Computed tomography, abdomen. axial view. 768x768 px. 15 organs annotated in this scan (that count is for the whole scan; organs this slice misses have no box)
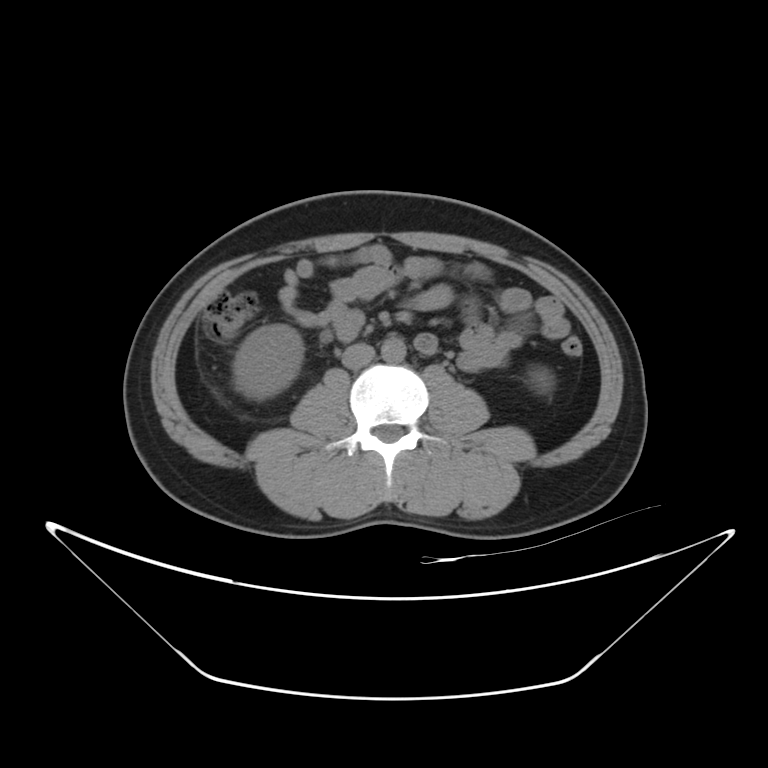

<organs><organ name="right kidney" x1="232" y1="324" x2="304" y2="400"/><organ name="left kidney" x1="529" y1="368" x2="553" y2="393"/><organ name="aorta" x1="381" y1="337" x2="406" y2="362"/><organ name="inferior vena cava" x1="342" y1="343" x2="375" y2="368"/></organs>